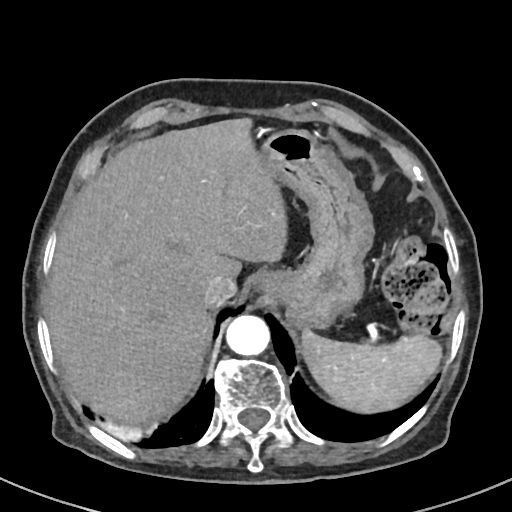
CT abdomen — Axial slice 169/279 — scan has 15 labeled organs (a whole-scan count: organs this slice does not pass through have no box)
One row per box, in pixels: columns x1 and y1 give the top-left corner, x2 and y2 the bottom-right.
| organ | x1 | y1 | x2 | y2 |
|---|---|---|---|---|
| liver | 45 | 118 | 287 | 426 |
| stomach | 252 | 129 | 374 | 330 |
| aorta | 226 | 315 | 270 | 355 |
| inferior vena cava | 202 | 274 | 236 | 307 |
| spleen | 302 | 330 | 441 | 413 |